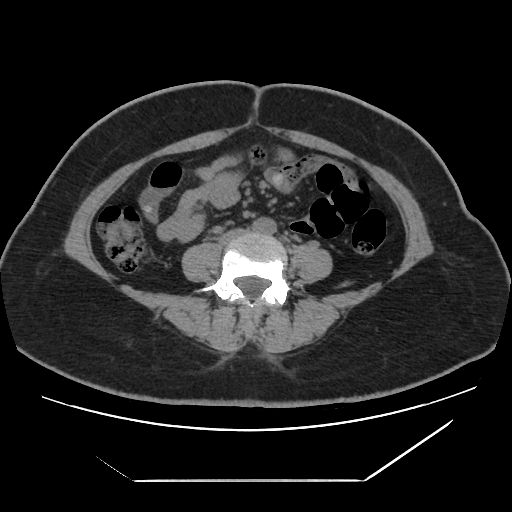
Computed tomography, abdomen · axial view · 512x512 px
Boxes are (x1, y1, x2, y2) in pixels. Labeled organs on this slice: aorta at (252, 218, 276, 234), inferior vena cava at (221, 229, 246, 242).